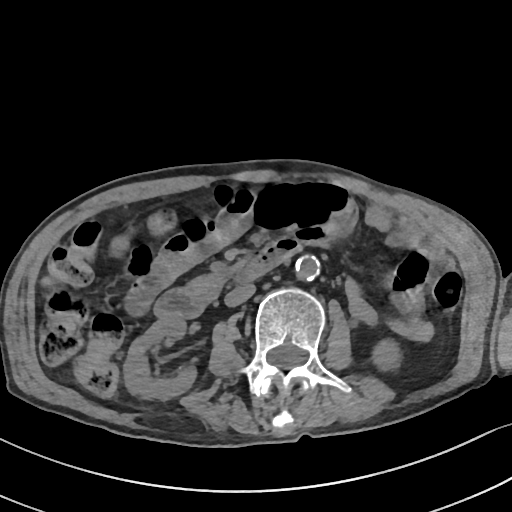

CT, abdomen/pelvis. Axial slice 119/208. 15 organs annotated in this scan (counted over the whole 3D scan, not this slice; an organ is boxed only where this slice passes through it)
{"organs":{"right kidney":[124,318,197,401],"pancreas":[185,272,226,301],"duodenum":[153,240,299,319],"aorta":[295,255,320,282],"left kidney":[373,341,399,369],"inferior vena cava":[223,283,254,307]}}